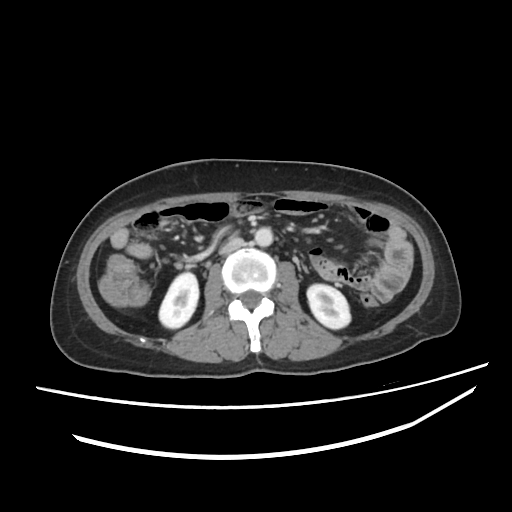
CT abdomen. axial plane, index 52. 512x512 px. 54-year-old female patient
Coordinates as <box>x1,y1,x2,y2</box> in pixels.
Organ bounding boxes:
- right kidney: <box>159,272,198,328</box>
- left kidney: <box>307,284,350,329</box>
- aorta: <box>254,227,272,246</box>
- inferior vena cava: <box>219,237,244,254</box>